Abdominal CT; Axial slice 70/121; soft-tissue window (W 400 / L 40)
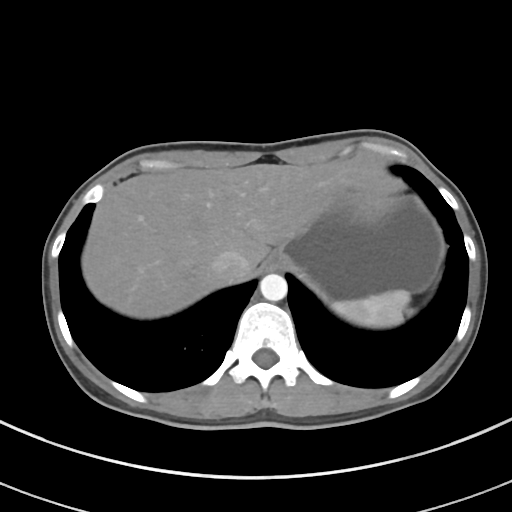
<organs><organ name="spleen" x1="331" y1="291" x2="411" y2="327"/><organ name="liver" x1="82" y1="157" x2="400" y2="318"/><organ name="stomach" x1="273" y1="189" x2="441" y2="300"/><organ name="aorta" x1="259" y1="273" x2="287" y2="301"/><organ name="inferior vena cava" x1="211" y1="250" x2="249" y2="282"/></organs>